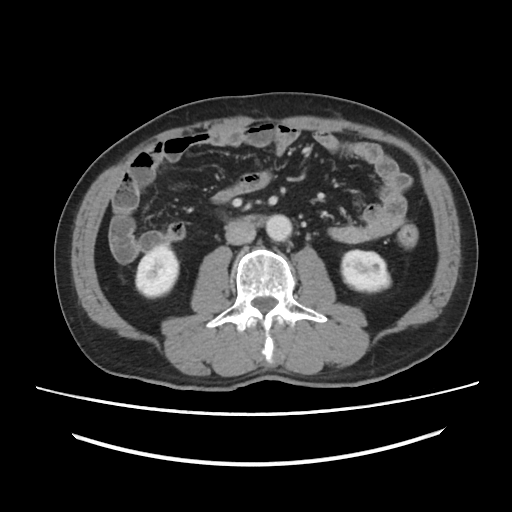

CT abdomen — axial plane, index 51 — abdomen soft-tissue window — 58-year-old male patient
Boxes are (x1, y1, x2, y2) in pixels. 5 labeled organs on this slice — right kidney at (136, 245, 178, 297); left kidney at (341, 250, 390, 291); aorta at (266, 214, 292, 241); inferior vena cava at (225, 220, 256, 244); duodenum at (242, 215, 263, 225).